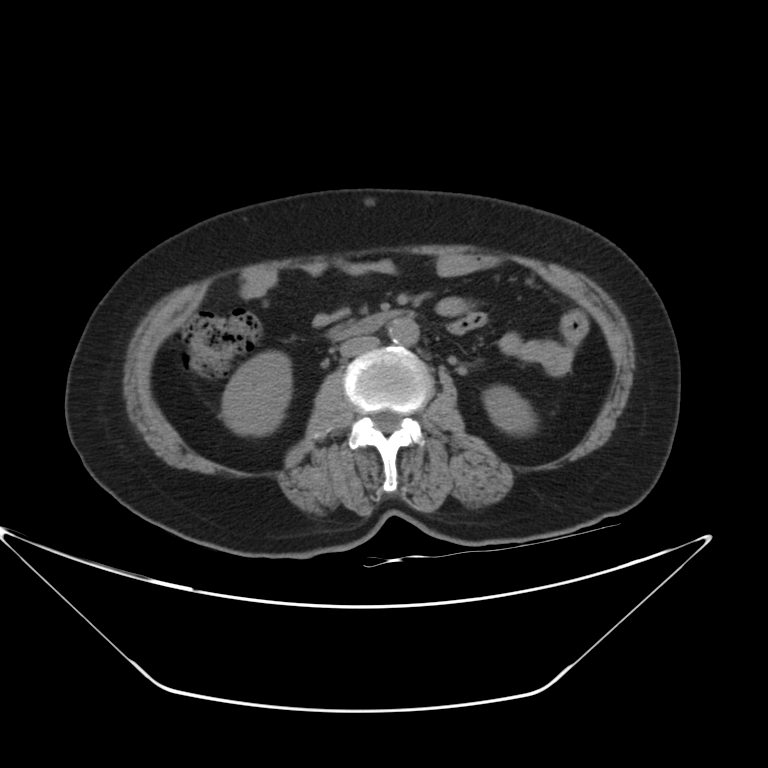

Computed tomography, abdomen. Axial slice 54/97
Boxes: x1 y1 x2 y2 (pixel coords, space-separated). 5 labeled organs on this slice — right kidney at 222 352 291 436; left kidney at 484 385 535 434; aorta at 388 317 418 345; inferior vena cava at 340 335 379 356; duodenum at 327 313 392 341.